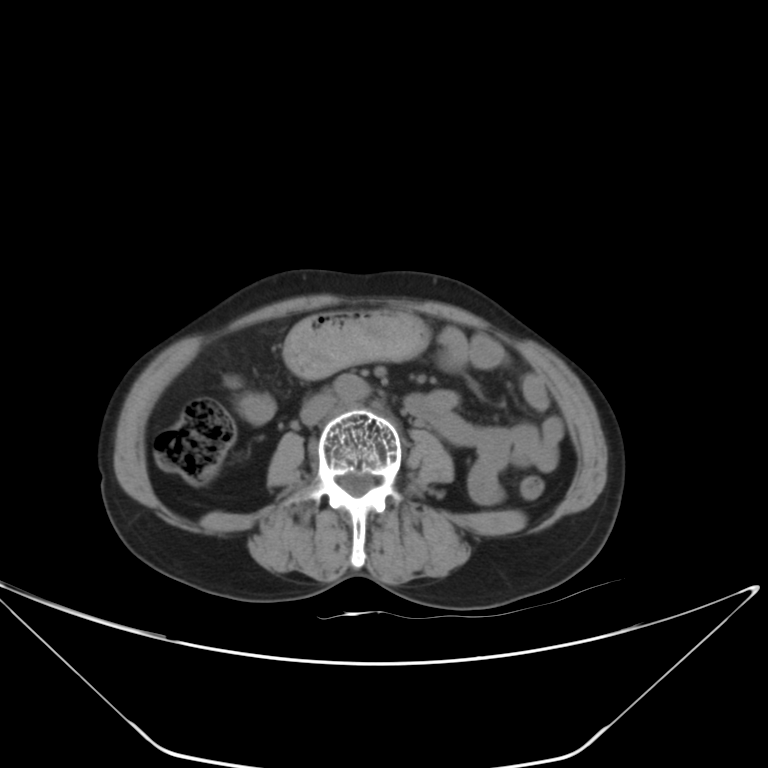 CT, abdomen/pelvis. axial plane, index 45. 768x768 px. acquired on Brilliance16
<organs><organ name="stomach" x1="283" y1="310" x2="426" y2="375"/><organ name="aorta" x1="334" y1="373" x2="366" y2="401"/><organ name="inferior vena cava" x1="300" y1="393" x2="337" y2="425"/></organs>